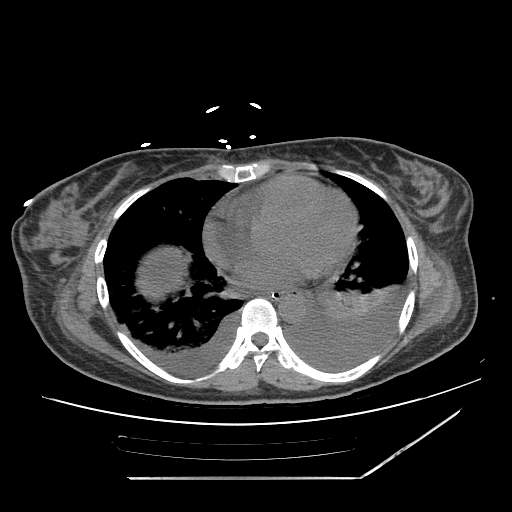
CT abdomen; Axial slice 183/191; soft-tissue window
Boxes: x1 y1 x2 y2 (pixel coords, space-separated).
Organ bounding boxes:
- esophagus: 258 291 298 300
- stomach: 279 294 299 300
- aorta: 278 295 305 322